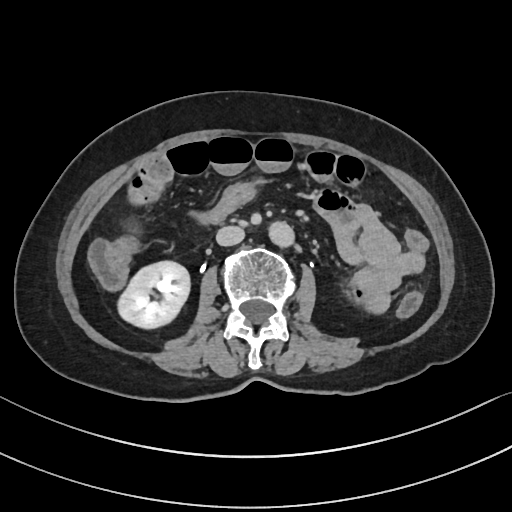
CT, abdomen/pelvis — axial view — acquired on SOMATOM Force
Box edges are left/top/right/bottom in pixels.
right kidney: left=118, top=261, right=189, bottom=327
aorta: left=267, top=220, right=293, bottom=245
inferior vena cava: left=216, top=225, right=244, bottom=245